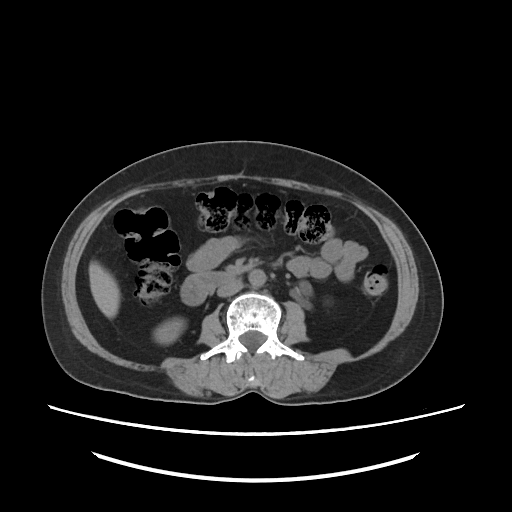

CT abdomen — axial view — 15 organs annotated in this scan (counted over the whole 3D scan, not this slice; an organ is boxed only where this slice passes through it)
Boxes are (x1, y1, x2, y2) in pixels.
duodenum: (182, 273, 234, 303)
inferior vena cava: (217, 281, 242, 296)
right kidney: (154, 322, 183, 344)
liver: (89, 260, 118, 317)
aorta: (249, 270, 264, 285)